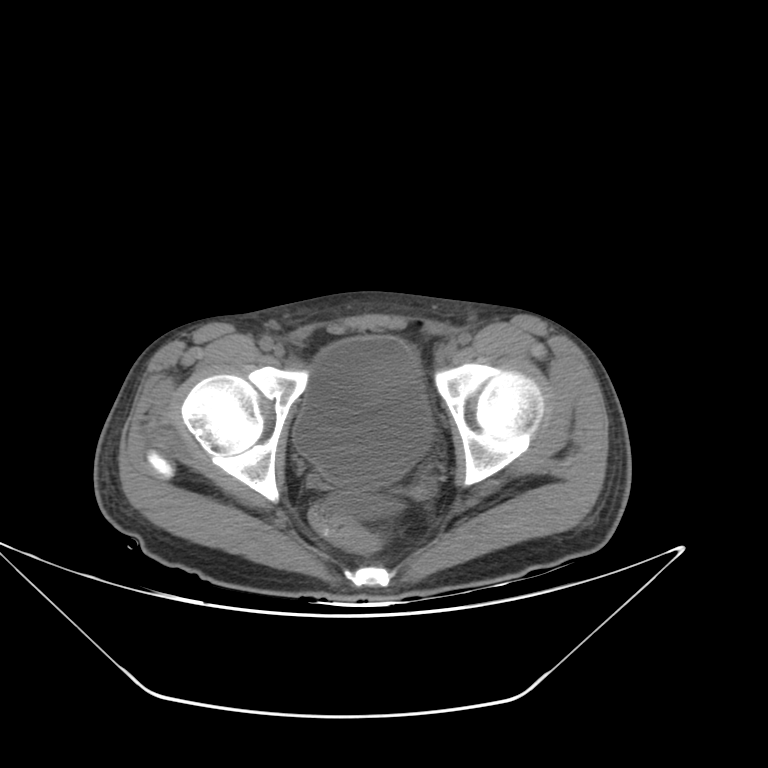 CT, abdomen/pelvis — axial view — abdomen soft-tissue window — 24-year-old male patient
{"organs":{"bladder":[293,337,431,484]}}